CT, abdomen/pelvis. axial plane, index 79. W/L 400/40 HU. acquired on SOMATOM Force
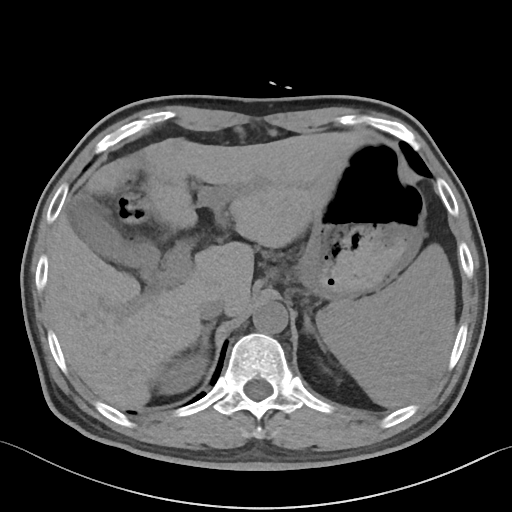

One row per box, in pixels: columns x1 and y1 give the top-left corner, x2 and y2 the bottom-right.
| organ | x1 | y1 | x2 | y2 |
|---|---|---|---|---|
| liver | 46 | 131 | 371 | 409 |
| left adrenal gland | 304 | 313 | 321 | 345 |
| stomach | 293 | 140 | 425 | 300 |
| aorta | 253 | 301 | 288 | 333 |
| right adrenal gland | 191 | 321 | 215 | 347 |
| inferior vena cava | 199 | 297 | 224 | 319 |
| gall bladder | 66 | 194 | 159 | 279 |
| right kidney | 160 | 354 | 208 | 394 |
| spleen | 316 | 244 | 454 | 407 |